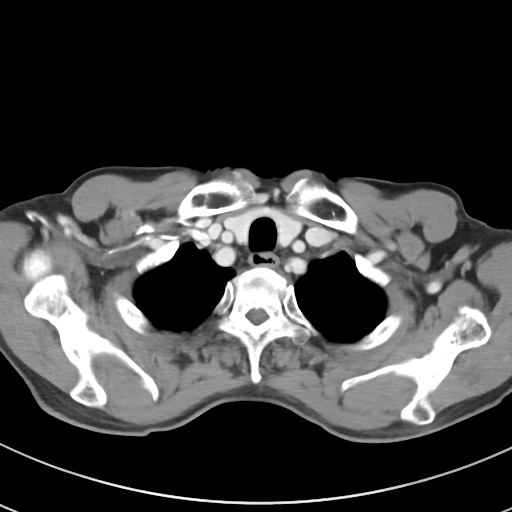 Chest-level slice from an abdominal CT that extends up into the chest — axial view — soft-tissue window — acquired on SOMATOM Force
At this level of the chest this dataset labels only the esophagus and the aorta, and each is boxed only where it is labeled; the heart and lungs are never labeled.
Organ boxes in pixel coordinates; each row gives the top-left (x1, y1) and bottom-right (x2, y2) corners.
| organ | x1 | y1 | x2 | y2 |
|---|---|---|---|---|
| esophagus | 250 | 252 | 280 | 267 |